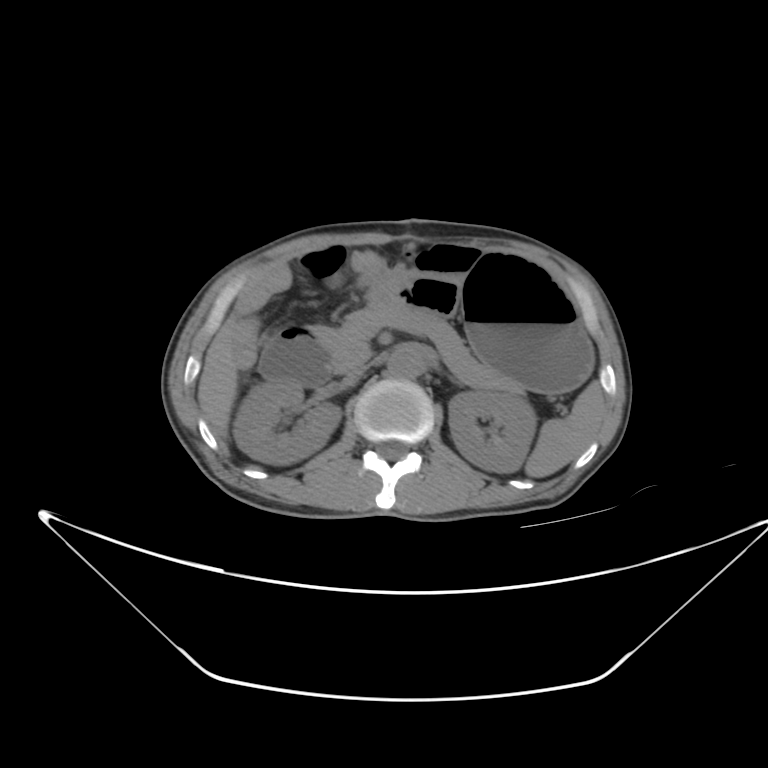 Computed tomography, abdomen; axial view; abdomen soft-tissue window; acquired on Brilliance16; scan has 15 labeled organs (a whole-scan count: organs this slice does not pass through have no box)
<organs><organ name="spleen" x1="526" y1="378" x2="602" y2="478"/><organ name="left kidney" x1="447" y1="390" x2="535" y2="472"/><organ name="duodenum" x1="257" y1="325" x2="337" y2="388"/><organ name="right kidney" x1="236" y1="378" x2="342" y2="464"/><organ name="aorta" x1="385" y1="353" x2="419" y2="379"/><organ name="stomach" x1="373" y1="250" x2="589" y2="390"/><organ name="liver" x1="198" y1="318" x2="237" y2="426"/><organ name="pancreas" x1="332" y1="307" x2="521" y2="394"/><organ name="inferior vena cava" x1="347" y1="356" x2="384" y2="376"/></organs>